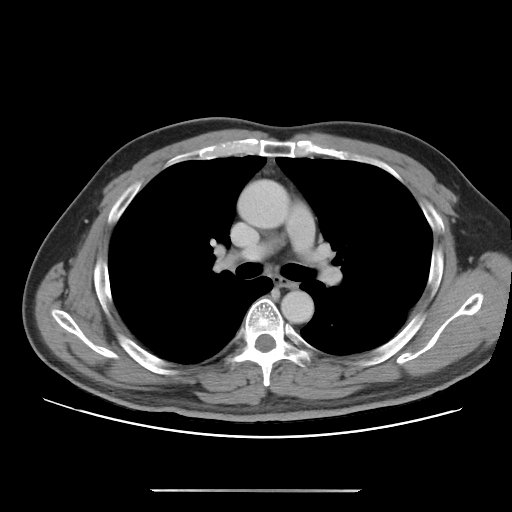
CT of the abdomen extending into the chest, slice through the chest; axial view; soft-tissue window; 512x512 px; acquired on SOMATOM Force; 15 organs annotated in this scan (that count is for the whole scan; organs this slice misses have no box)
At this level of the chest no structure but the esophagus and the aorta has a label in this dataset, and those two are boxed only where they are labeled.
Organ boxes in pixel coordinates; each row gives the top-left (x1, y1) and bottom-right (x2, y2) corners.
| organ | x1 | y1 | x2 | y2 |
|---|---|---|---|---|
| aorta | 237 | 179 | 289 | 228 |
| aorta | 281 | 290 | 314 | 323 |
| esophagus | 274 | 277 | 296 | 287 |